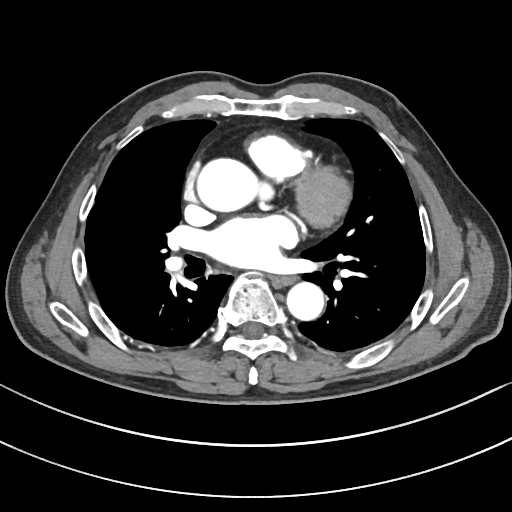
Abdominal CT; this slice is in the lower chest, just above the liver — axial view
Of the structures in the chest, this dataset labels only the esophagus, the aorta and the inferior vena cava; the heart and lungs have no label.
<organs><organ name="esophagus" x1="273" y1="277" x2="296" y2="285"/><organ name="aorta" x1="195" y1="157" x2="257" y2="212"/><organ name="aorta" x1="287" y1="283" x2="324" y2="321"/></organs>